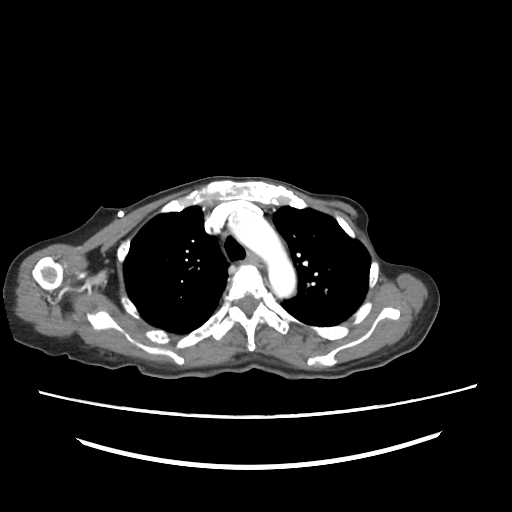

Abdominal CT; this slice is in the lower chest, just above the liver. axial view. soft-tissue window, W/L 400/40
The heart and lungs are never labeled in this dataset, so they have no box on this slice.
{"organs":{"esophagus":[248,254,265,268],"aorta":[229,208,295,297]}}